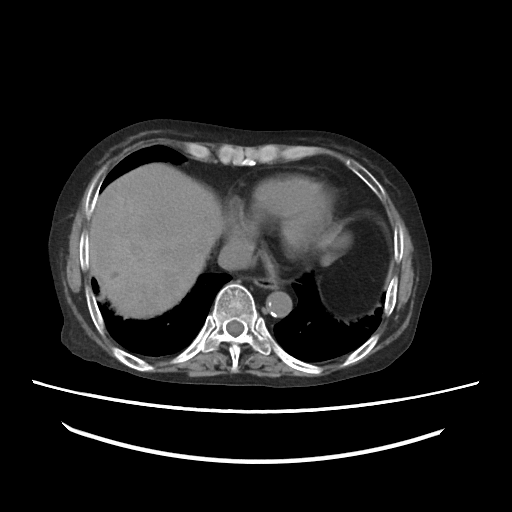 Abdominal CT; Axial slice 83/89; scan has 15 labeled organs (a whole-scan count: organs this slice does not pass through have no box)
Boxes are (x1, y1, x2, y2) in pixels.
Organ bounding boxes:
- esophagus: (253, 277, 278, 289)
- liver: (90, 163, 349, 318)
- aorta: (266, 291, 291, 317)
- inferior vena cava: (217, 239, 253, 270)